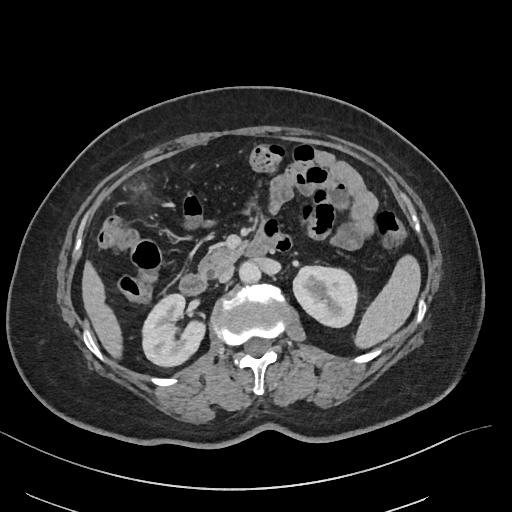 Computed tomography, abdomen; axial view
Box edges are left/top/right/bottom in pixels.
Organ bounding boxes:
- duodenum: left=178, top=243, right=272, bottom=295
- pancreas: left=198, top=247, right=243, bottom=275
- aorta: left=239, top=262, right=261, bottom=285
- inferior vena cava: left=217, top=265, right=234, bottom=283
- right kidney: left=143, top=295, right=206, bottom=367
- liver: left=82, top=261, right=121, bottom=357
- spleen: left=354, top=255, right=421, bottom=349
- left kidney: left=293, top=266, right=356, bottom=327